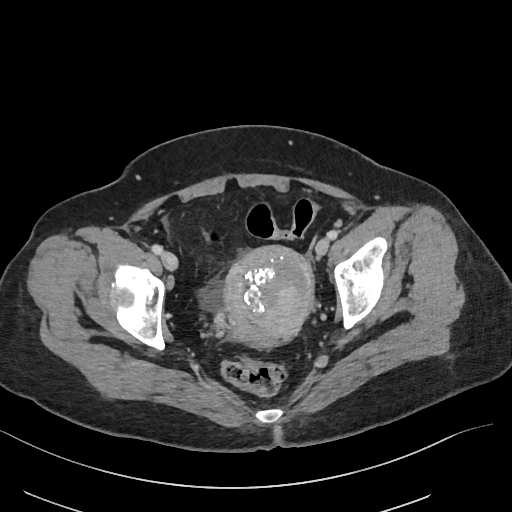

CT, abdomen/pelvis; axial plane, index 45; 512x512 px
<organs><organ name="prostate/uterus" x1="222" y1="246" x2="314" y2="346"/></organs>